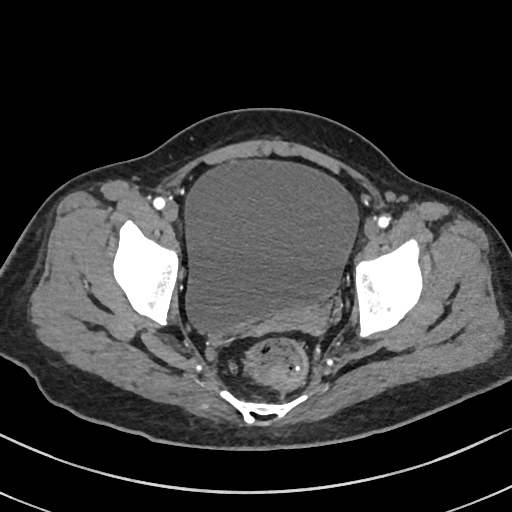

CT, abdomen/pelvis. axial view
Boxes: x1:y1:x2:y2 in pixels.
bladder: 184:161:357:337
prostate/uterus: 275:306:324:331